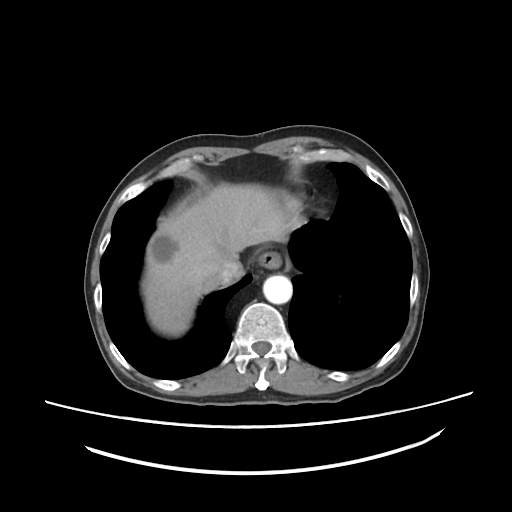
CT, abdomen/pelvis — axial view — 512x512 px — 68-year-old male patient — scan has 15 labeled organs (that count is for the whole scan; organs this slice misses have no box)
One row per box, in pixels: columns x1 and y1 give the top-left corner, x2 and y2 the bottom-right.
| organ | x1 | y1 | x2 | y2 |
|---|---|---|---|---|
| esophagus | 257 | 251 | 282 | 268 |
| liver | 142 | 182 | 291 | 336 |
| aorta | 263 | 275 | 292 | 304 |
| inferior vena cava | 217 | 261 | 243 | 285 |